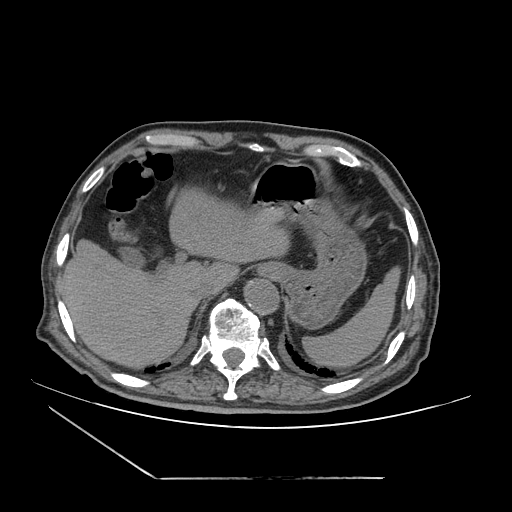 CT, abdomen/pelvis · Axial slice 155/187 · soft-tissue window · 512x512 px
Each box given as x1,y1,x2,y2.
Organ bounding boxes:
- esophagus: x1=258, y1=262, x2=285, y2=278
- aorta: x1=244, y1=279, x2=278, y2=314
- liver: x1=62, y1=187, x2=289, y2=368
- gall bladder: x1=118, y1=246, x2=145, y2=266
- inferior vena cava: x1=188, y1=280, x2=217, y2=298
- spleen: x1=302, y1=266, x2=401, y2=367
- stomach: x1=245, y1=163, x2=366, y2=329